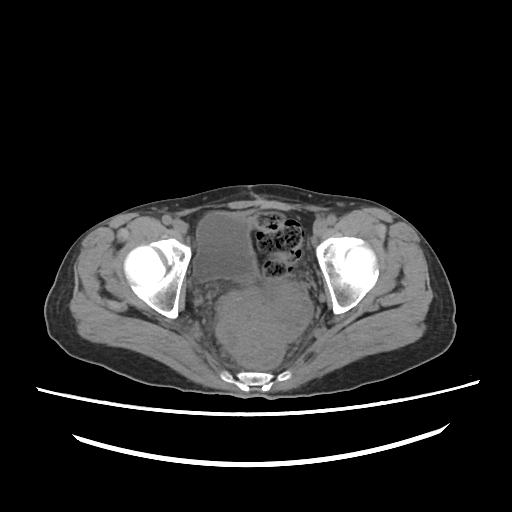 CT, abdomen/pelvis · axial view · 512x512 px · acquired on Aquilion ONE
Boxes: x1 y1 x2 y2 (pixel coords, space-separated).
Organ bounding boxes:
- prostate/uterus: 228 285 308 336
- bladder: 194 212 255 281